CT abdomen — axial view — scan has 15 labeled organs (counted over the whole 3D scan, not this slice; an organ is boxed only where this slice passes through it)
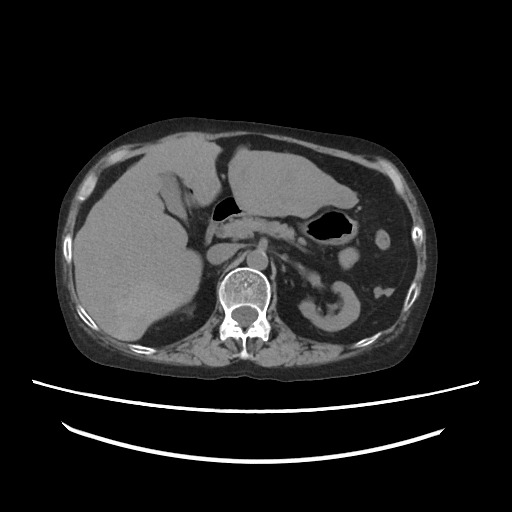
Coordinates as <box>x1,y1,x2,y2</box> in pixels.
Organ bounding boxes:
- liver: <box>73,138,358,341</box>
- aorta: <box>246,249,268,269</box>
- right kidney: <box>184,307,193,314</box>
- stomach: <box>209,197,357,244</box>
- duodenum: <box>205,223,218,243</box>
- inferior vena cava: <box>207,243,236,264</box>
- pancreas: <box>216,215,306,245</box>
- left kidney: <box>299,281,359,330</box>
- gall bladder: <box>159,173,186,219</box>